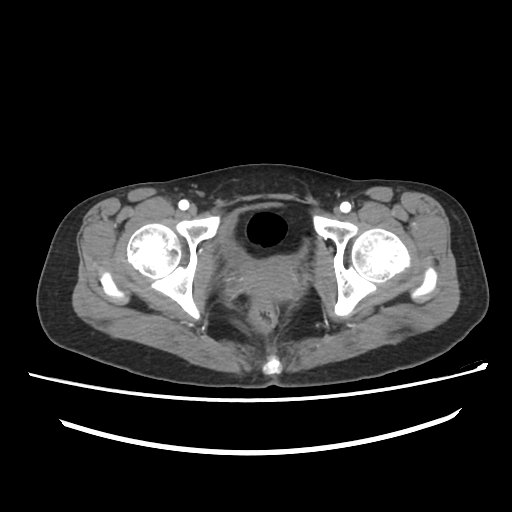
Abdominal CT — axial view — 512x512 px
Boxes: x1 y1 x2 y2 (pixel coords, space-separated).
Organ bounding boxes:
- bladder: 220 203 309 269
- prostate/uterus: 239 263 298 300